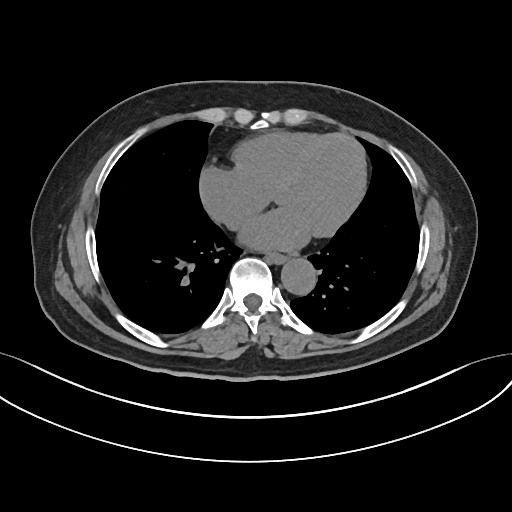
Abdominal CT; this slice is in the lower chest, just above the liver · axial view · W/L 400/40 HU · acquired on SOMATOM Force
Of the structures in the chest, this dataset labels only the esophagus, the aorta and the inferior vena cava; the heart and lungs have no label. Boxes: x1 y1 x2 y2 (pixel coords, space-separated). 2 labeled organs on this slice — esophagus at 265 251 286 262; aorta at 280 257 315 294.